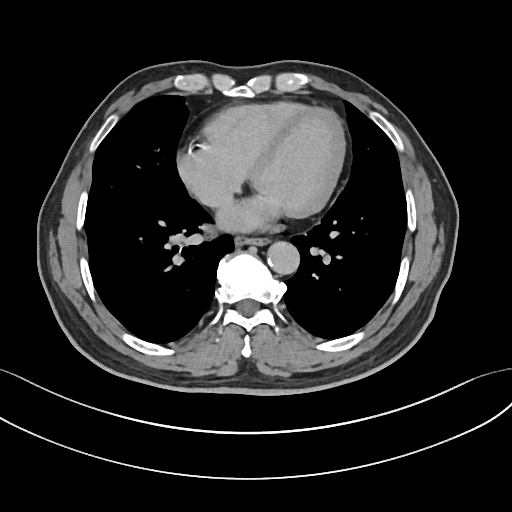 Lower-chest slice from an abdominal CT, just above the liver and spleen. axial view. soft-tissue window. 512x512 px
The heart and lungs are never labeled in this dataset, so they have no box on this slice.
{"organs":{"esophagus":[235,236,266,244],"aorta":[267,241,299,274]}}